Abdominal CT reaching into the chest; this slice is in the chest — Axial slice 109/124 — 58-year-old male patient — Aquilion ONE scanner — 14 organs annotated in this scan (that count is for the whole scan; organs this slice misses have no box)
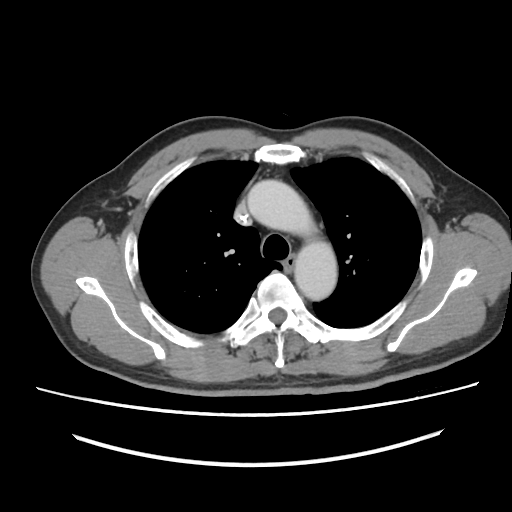 At this level of the chest this dataset labels only the esophagus and the aorta, and each is boxed only where it is labeled; the heart and lungs are never labeled.
One row per box, in pixels: columns x1 and y1 give the top-left corner, x2 and y2 the bottom-right.
| organ | x1 | y1 | x2 | y2 |
|---|---|---|---|---|
| esophagus | 283 | 256 | 296 | 270 |
| aorta | 248 | 180 | 336 | 300 |